Abdominal CT; axial view; abdomen soft-tissue window; 512x512 px; 15 organs annotated in this scan (a whole-scan count: organs this slice does not pass through have no box)
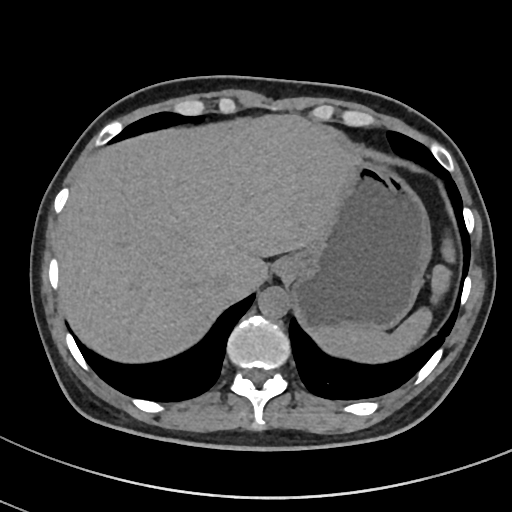 Each box given as x1,y1,x2,y2.
stomach: x1=287, y1=159, x2=431, y2=330
spleen: x1=315, y1=240, x2=455, y2=362
inferior vena cava: x1=214, y1=272, x2=232, y2=291
aorta: x1=257, y1=287, x2=289, y2=318
esophagus: x1=275, y1=258, x2=294, y2=277
liver: x1=54, y1=115, x2=357, y2=362